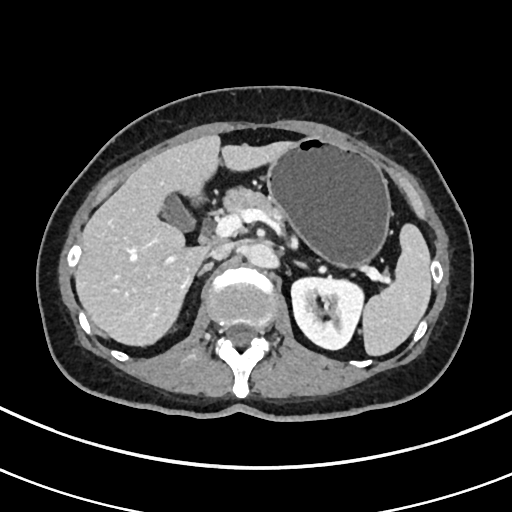

CT abdomen; Axial slice 143/192; soft-tissue window; 512x512 px; SOMATOM Force scanner
{"organs":{"spleen":[361,224,432,356],"left kidney":[291,277,363,349],"gall bladder":[163,199,195,230],"liver":[73,134,296,347],"stomach":[266,137,391,268],"aorta":[245,243,275,268],"inferior vena cava":[208,245,230,260],"pancreas":[225,189,283,217],"right adrenal gland":[196,262,213,278],"left adrenal gland":[293,261,307,267],"duodenum":[192,192,202,202]}}